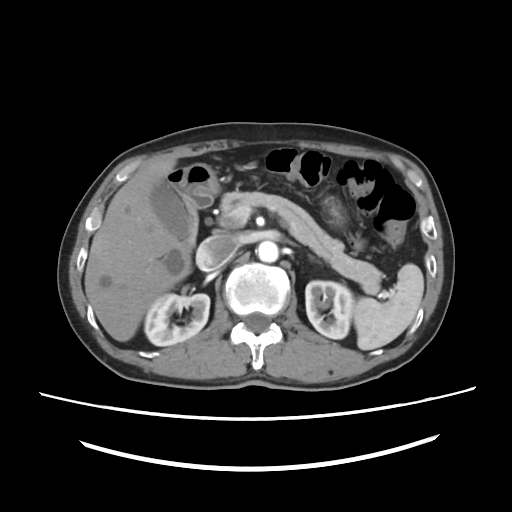 Abdominal CT — axial view — 512x512 px — 65-year-old male patient — scan has 15 labeled organs (a whole-scan count: organs this slice does not pass through have no box)
Boxes: x1:y1:x2:y2 in pixels.
Organ bounding boxes:
- spleen: 352:263:424:350
- right kidney: 144:293:209:346
- left kidney: 305:280:353:339
- gall bladder: 150:180:188:239
- liver: 84:160:190:341
- stomach: 184:163:346:225
- aorta: 256:241:278:262
- inferior vena cava: 196:234:236:270
- pancreas: 220:191:382:294
- left adrenal gland: 308:254:317:261
- duodenum: 166:168:212:251